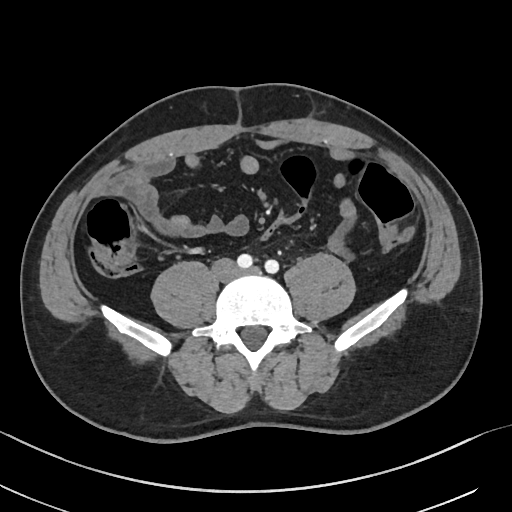

CT, abdomen/pelvis; Axial slice 103/307; W/L 400/40 HU; 512x512 px; 15 organs annotated in this scan (a whole-scan count: organs this slice does not pass through have no box)
<organs><organ name="inferior vena cava" x1="213" y1="258" x2="238" y2="281"/></organs>